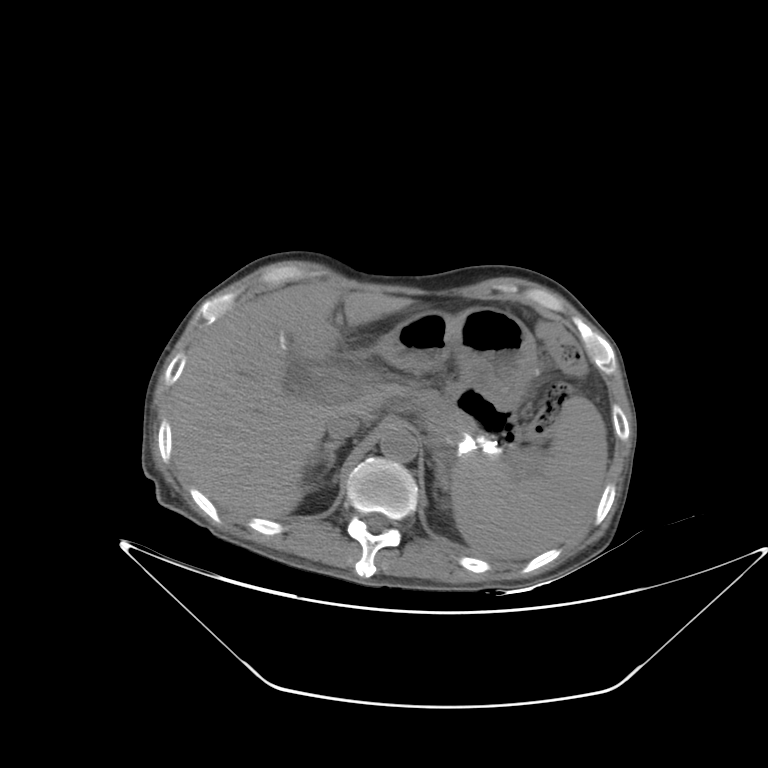

Computed tomography, abdomen — axial view — scan has 14 labeled organs (that count is for the whole scan; organs this slice misses have no box)
Coordinates as <box>x1,y1,x2,y2</box> in pixels.
Organ bounding boxes:
- spleen: <box>451,396,607,559</box>
- liver: <box>169,282,412,518</box>
- stomach: <box>374,307,538,453</box>
- aorta: <box>380,428,418,462</box>
- inferior vena cava: <box>326,414,360,440</box>
- right adrenal gland: <box>307,440,344,491</box>
- left adrenal gland: <box>436,464,446,487</box>